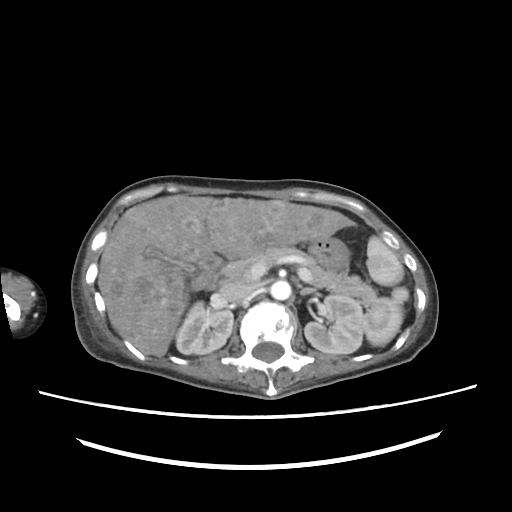
Computed tomography, abdomen. axial view. 512x512 px. 48-year-old female patient
Bounding boxes in pixels, one row per box: x1, y1 is the top-left corner and x2, y2 the bottom-right.
| organ | x1 | y1 | x2 | y2 |
|---|---|---|---|---|
| aorta | 270 | 280 | 291 | 300 |
| left kidney | 304 | 294 | 363 | 353 |
| pancreas | 221 | 246 | 376 | 305 |
| inferior vena cava | 218 | 282 | 252 | 300 |
| stomach | 309 | 236 | 349 | 271 |
| duodenum | 190 | 252 | 222 | 290 |
| spleen | 364 | 236 | 406 | 346 |
| right kidney | 176 | 301 | 233 | 354 |
| left adrenal gland | 300 | 287 | 315 | 295 |
| gall bladder | 144 | 249 | 193 | 271 |
| liver | 97 | 195 | 354 | 357 |